Abdominal CT. axial view. W/L 400/40 HU
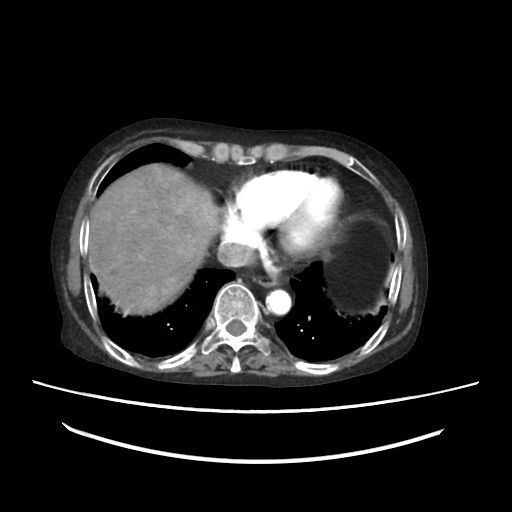
Organ boxes in pixel coordinates; each row gives the top-left (x1, y1) and bottom-right (x2, y2) corners.
| organ | x1 | y1 | x2 | y2 |
|---|---|---|---|---|
| esophagus | 250 | 275 | 279 | 287 |
| liver | 88 | 163 | 217 | 316 |
| aorta | 266 | 290 | 292 | 314 |
| inferior vena cava | 216 | 241 | 255 | 266 |